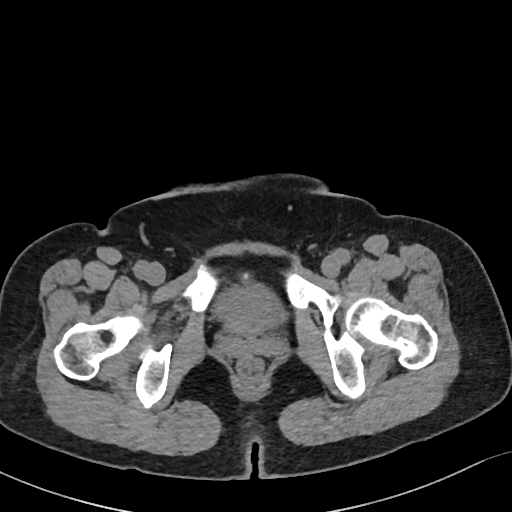 Abdominal CT. axial view. abdomen soft-tissue window
Bounding boxes as [x1, y1, x2, y2] in pixel coordinates.
bladder: [213, 284, 283, 332]